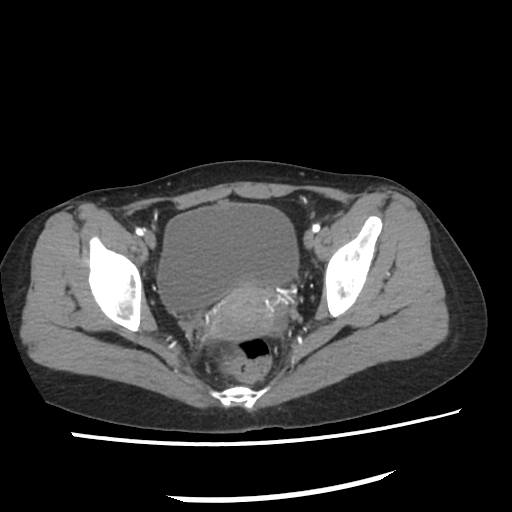 CT abdomen. axial view. scan has 15 labeled organs (that count is for the whole scan; organs this slice misses have no box)
Box edges are left/top/right/bottom in pixels.
bladder: left=158, top=205, right=298, bottom=313
prostate/uterus: left=218, top=287, right=275, bottom=340